Chest-level CT slice, above the liver and spleen; axial view; soft-tissue window (W 400 / L 40); scan has 15 labeled organs (counted over the whole 3D scan, not this slice; an organ is boxed only where this slice passes through it)
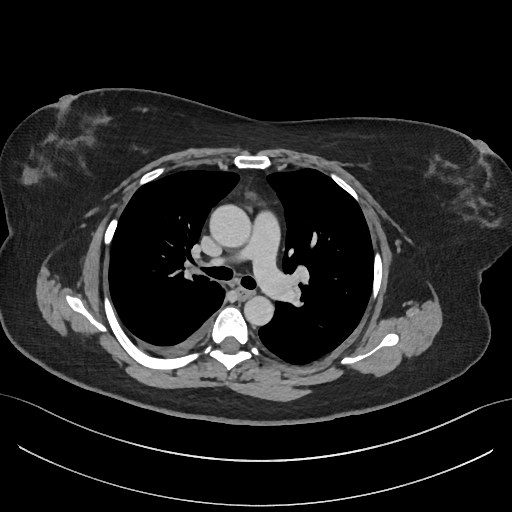 On a slice this high in the chest, this dataset labels only the esophagus and the aorta, and each is boxed only where it is labeled; the heart, lungs and other chest structures are not labeled.
{"organs":{"esophagus":[238,289,252,299],"aorta":[[209,204,250,246],[243,296,273,326]]}}